CT, abdomen/pelvis; axial plane, index 30; 55-year-old male patient
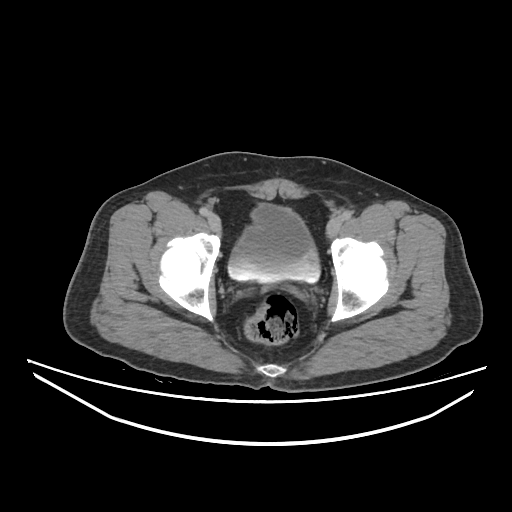
Box edges are left/top/right/bottom in pixels. 1 labeled organ on this slice — bladder at left=228, top=204, right=321, bottom=283.